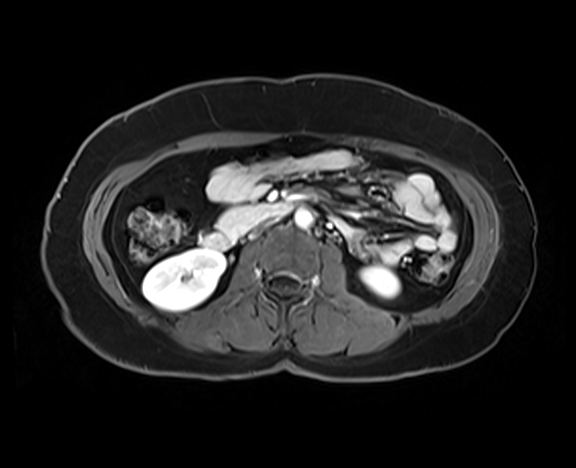

MRI, abdomen — axial view — scan has 13 labeled organs (a whole-scan count: organs this slice does not pass through have no box)
Boxes are (x1, y1, x2, y2) in pixels.
inferior vena cava: (256, 220, 274, 230)
right kidney: (142, 249, 225, 311)
aorta: (295, 209, 312, 228)
duodenum: (201, 202, 294, 249)
pancreas: (218, 204, 266, 232)
left kidney: (361, 267, 399, 298)